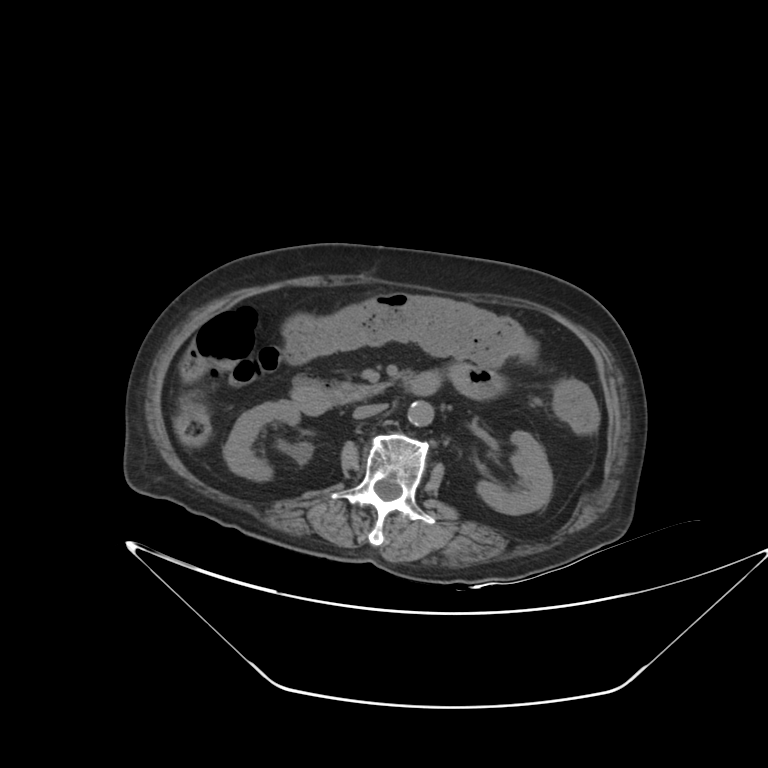
Computed tomography, abdomen; Axial slice 64/105; 768x768 px; 80-year-old female patient
Coordinates as <box>x1,y1,x2,y2</box> in pixels. 6 labeled organs on this slice — right kidney at <box>224,400,300,481</box>; left kidney at <box>476,431,552,514</box>; aorta at <box>407,401,433,426</box>; inferior vena cava at <box>353,403,387,418</box>; pancreas at <box>340,383,387,400</box>; duodenum at <box>292,371,440,414</box>.